Lower-chest slice from an abdominal CT, just above the liver and spleen · axial view
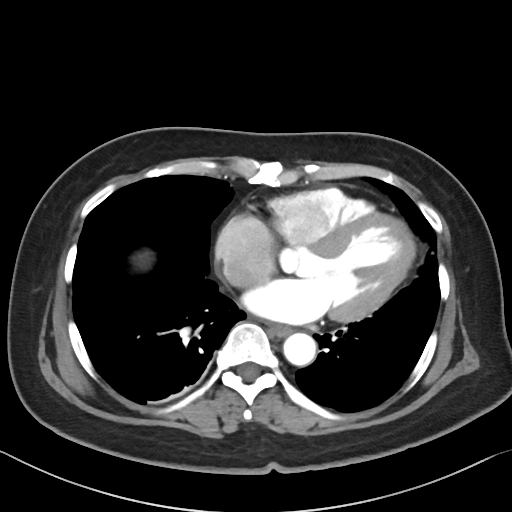

Of the structures in the chest, this dataset labels only the esophagus, the aorta and the inferior vena cava; the heart and lungs have no label. Coordinates as <box>x1,y1,x2,y2</box> in pixels. Labeled organs on this slice: aorta at <box>283,333,316,366</box>, esophagus at <box>269,324,292,336</box>.